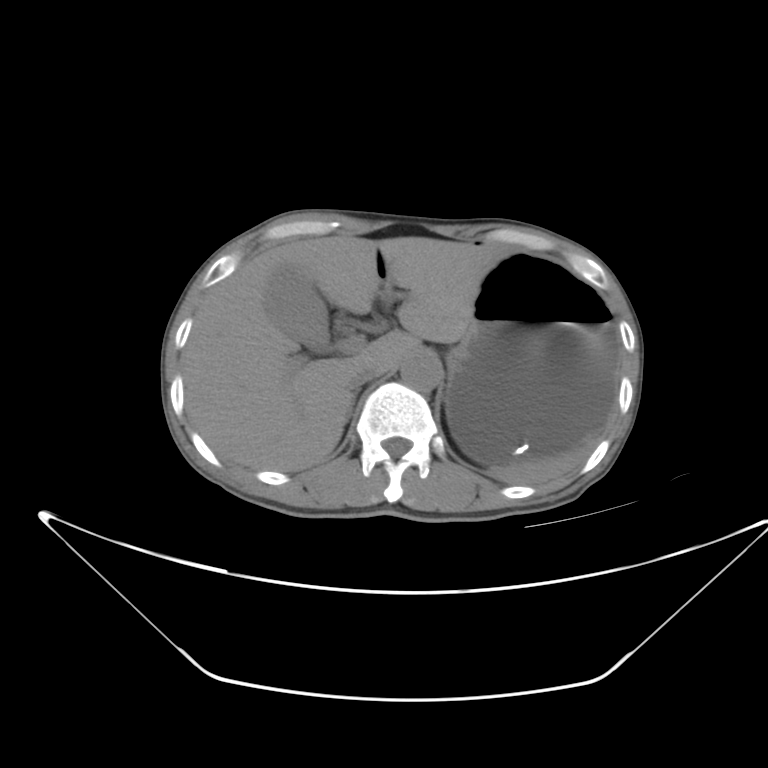 Abdominal CT. axial plane, index 71. soft-tissue window. Brilliance16 scanner. scan has 15 labeled organs (counted over the whole 3D scan, not this slice; an organ is boxed only where this slice passes through it)
Boxes: x1:y1:x2:y2 in pixels.
Organ bounding boxes:
- spleen: 486:438:599:484
- gall bladder: 264:260:329:352
- liver: 185:234:509:471
- stomach: 439:248:620:465
- aorta: 401:350:443:392
- inferior vena cava: 345:366:383:390
- right adrenal gland: 344:397:354:423